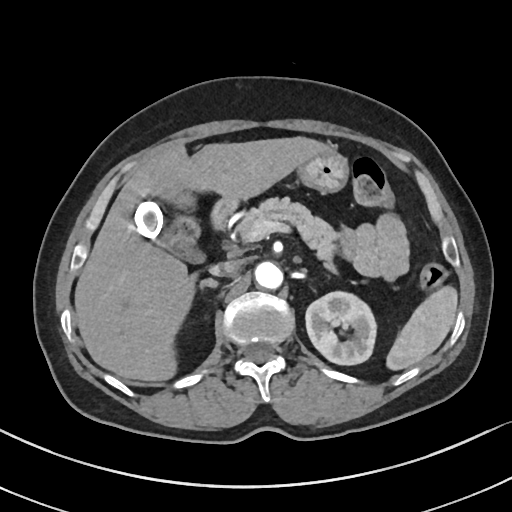 CT, abdomen/pelvis; axial view; SOMATOM Force scanner
{"organs":{"spleen":[385,285,458,372],"left kidney":[306,292,375,365],"gall bladder":[135,198,206,264],"liver":[74,137,331,382],"stomach":[300,149,350,194],"aorta":[255,262,283,290],"inferior vena cava":[210,261,242,276],"pancreas":[250,197,340,275],"right adrenal gland":[200,280,220,297],"duodenum":[211,198,236,225]}}